Computed tomography, abdomen — axial plane, index 74 — scan has 15 labeled organs (a whole-scan count: organs this slice does not pass through have no box)
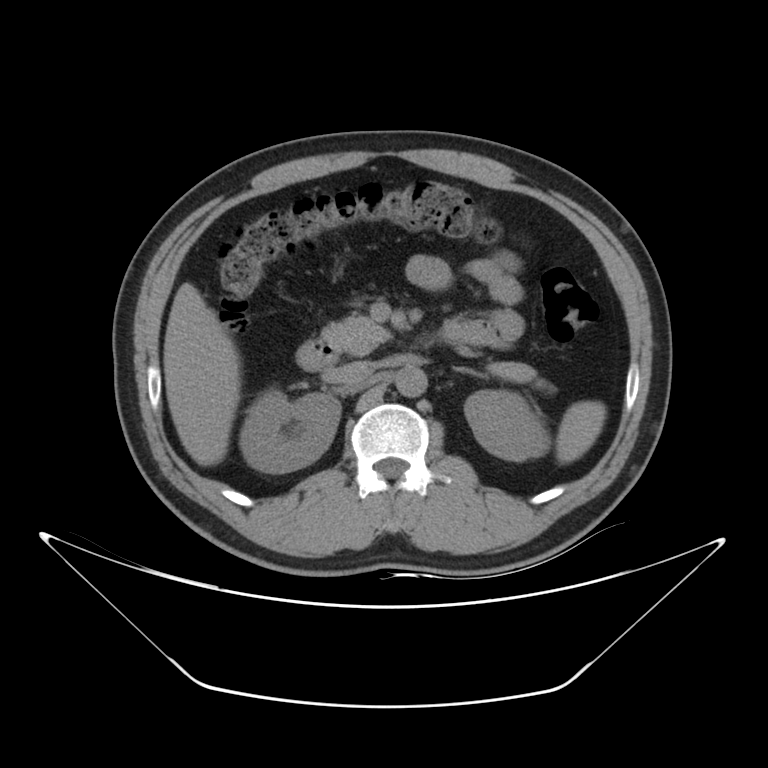
Boxes: x1 y1 x2 y2 (pixel coords, space-separated). 9 labeled organs on this slice — spleen at 556 400 606 463; right kidney at 239 387 340 472; left kidney at 464 390 550 461; liver at 163 283 240 465; aorta at 395 365 426 397; inferior vena cava at 333 361 373 385; pancreas at 322 315 548 388; left adrenal gland at 455 368 481 377; duodenum at 296 340 339 371.